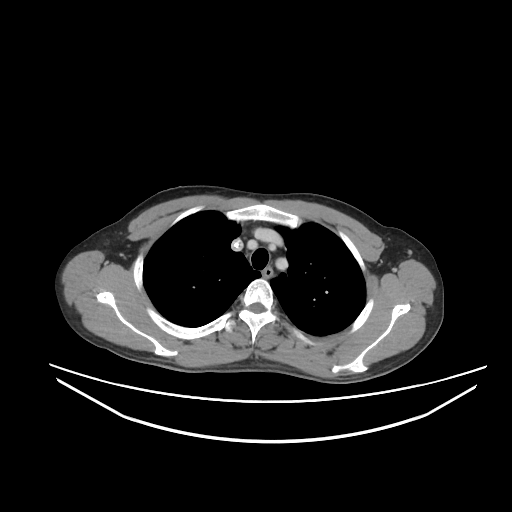 Abdominal CT reaching into the chest; this slice is in the chest. axial view. 512x512 px. scan has 15 labeled organs (a whole-scan count: organs this slice does not pass through have no box)
On a slice this high in the chest, this dataset labels only the esophagus and the aorta, and each is boxed only where it is labeled; the heart, lungs and other chest structures are not labeled.
Box edges are left/top/right/bottom in pixels.
esophagus: left=262, top=267, right=273, bottom=277